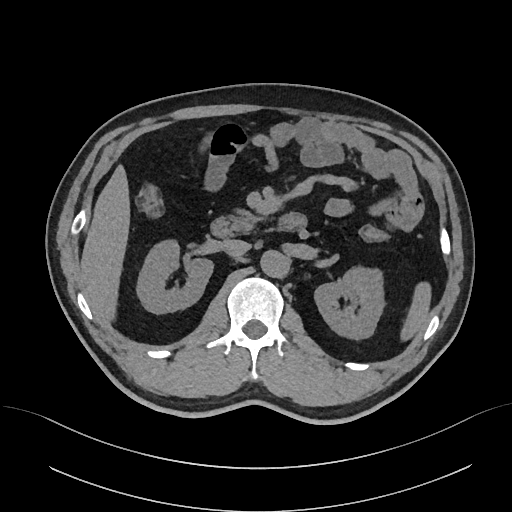

CT abdomen — axial view — 512x512 px — scan has 15 labeled organs (that count is for the whole scan; organs this slice misses have no box)
Boxes: x1:y1:x2:y2 in pixels. The annotated organs in this slice are: spleen at 399:281:432:342, right kidney at 137:242:213:314, left kidney at 314:268:382:340, liver at 80:163:130:325, aorta at 261:251:289:278, inferior vena cava at 220:239:250:256, pancreas at 226:207:263:232, duodenum at 210:212:308:238.